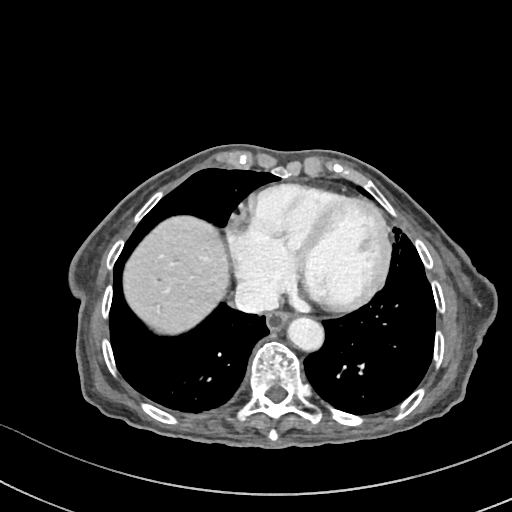

CT abdomen. axial plane, index 218. 15 organs annotated in this scan (counted over the whole 3D scan, not this slice; an organ is boxed only where this slice passes through it)
Bounding boxes as [x1, y1, x2, y2] in pixel coordinates. The annotated organs in this slice are: esophagus at [266, 312, 291, 331], aorta at [289, 318, 325, 352], inferior vena cava at [235, 280, 278, 312], liver at [122, 217, 228, 334].